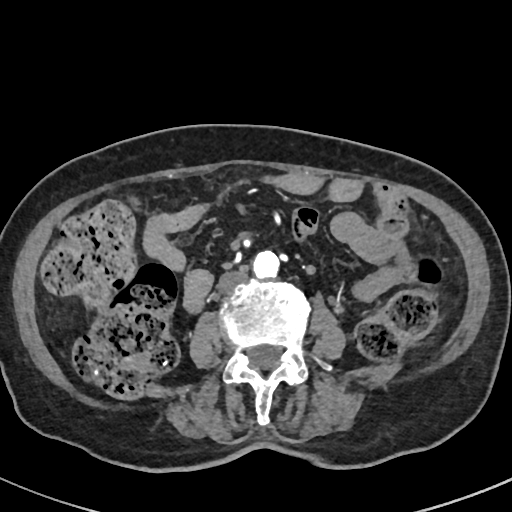

Computed tomography, abdomen; axial view; scan has 15 labeled organs (counted over the whole 3D scan, not this slice; an organ is boxed only where this slice passes through it)
Boxes: x1 y1 x2 y2 (pixel coords, space-separated).
aorta: 252 250 279 279
inferior vena cava: 217 269 248 293